Abdominal CT — axial view — soft-tissue window — 512x512 px — acquired on SOMATOM Force
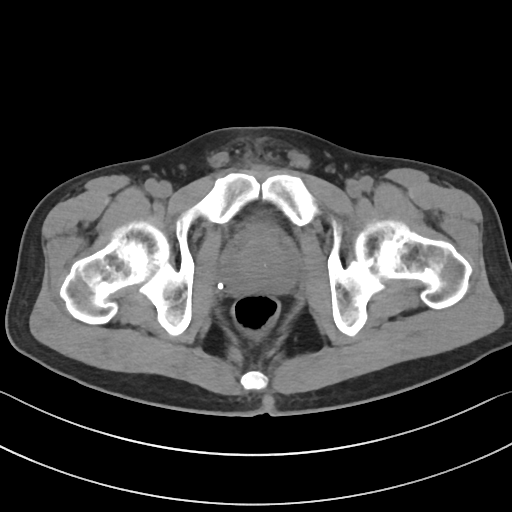
Boxes: x1:y1:x2:y2 in pixels. 2 labeled organs on this slice — bladder at 247:224:275:236; prostate/uterus at 225:237:296:294.